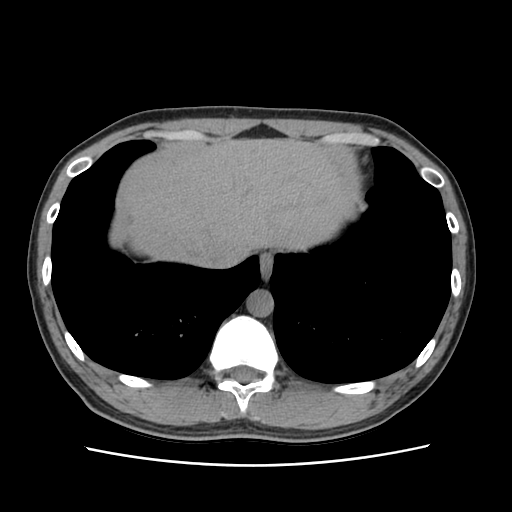 Abdominal CT. axial view. SOMATOM Force scanner
Each box given as x1,y1,x2,y2.
Organ bounding boxes:
- aorta: x1=246, y1=289, x2=273, y2=316
- liver: x1=122, y1=138, x2=353, y2=265
- esophagus: x1=259, y1=253, x2=273, y2=279
- inferior vena cava: x1=203, y1=239, x2=246, y2=267